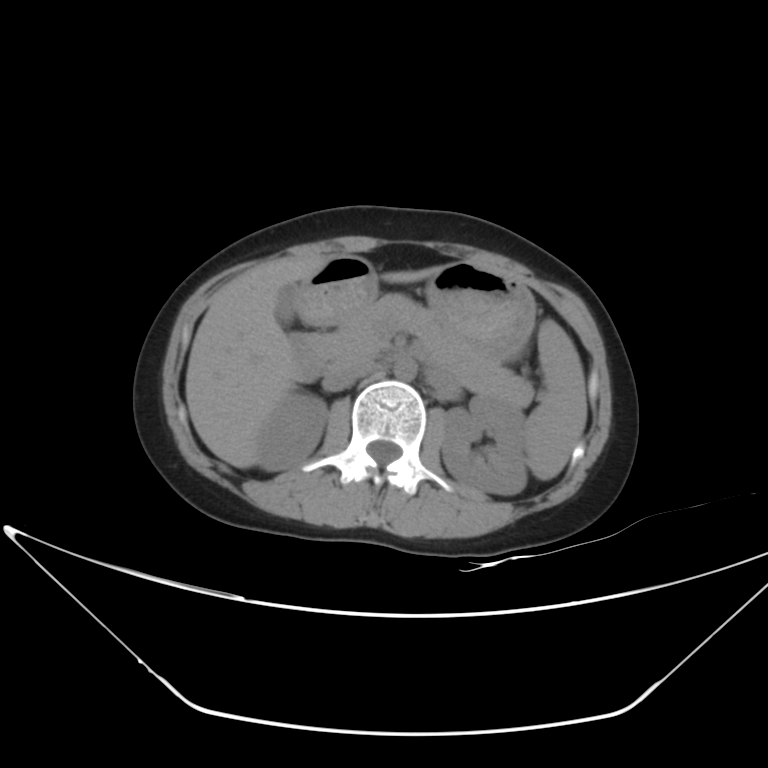

CT abdomen; axial plane, index 57; 28-year-old female patient; acquired on Brilliance16
Bounding boxes in pixels, one row per box: x1, y1 is the top-left corner and x2, y2 the bottom-right.
| organ | x1 | y1 | x2 | y2 |
|---|---|---|---|---|
| spleen | 525 | 321 | 587 | 480 |
| right kidney | 257 | 394 | 327 | 471 |
| left kidney | 441 | 395 | 526 | 495 |
| gall bladder | 275 | 282 | 301 | 326 |
| liver | 185 | 253 | 440 | 468 |
| stomach | 298 | 255 | 535 | 364 |
| aorta | 394 | 357 | 417 | 381 |
| inferior vena cava | 322 | 357 | 375 | 391 |
| pancreas | 316 | 293 | 533 | 408 |
| duodenum | 289 | 333 | 326 | 381 |